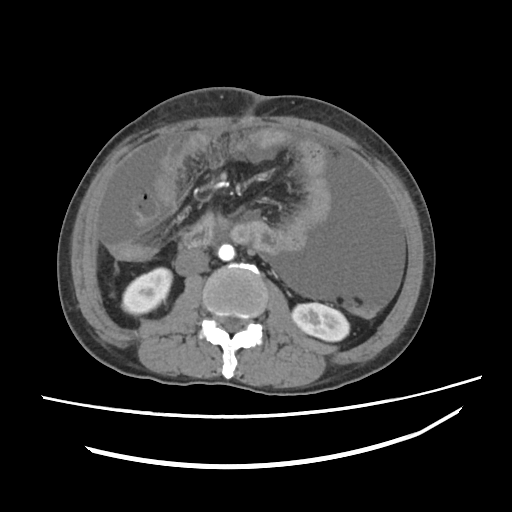 Abdominal CT — axial view — abdomen soft-tissue window — 512x512 px — scan has 15 labeled organs (counted over the whole 3D scan, not this slice; an organ is boxed only where this slice passes through it)
{"organs":{"left kidney":[291,302,351,342],"right kidney":[122,267,171,314],"duodenum":[179,213,249,247],"inferior vena cava":[176,249,208,276],"aorta":[218,244,234,260]}}